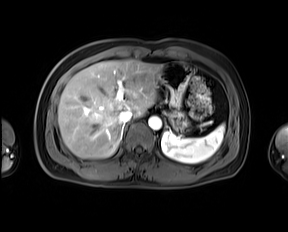
Magnetic resonance imaging, abdomen; axial plane, index 45; 1st–99th percentile window; 288x232 px; acquired on Prisma
Box edges are left/top/right/bottom in pixels.
aorta: left=148, top=116, right=161, bottom=130
liver: left=58, top=59, right=162, bottom=158
inferior vena cava: left=119, top=110, right=132, bottom=122
spleen: left=160, top=124, right=224, bottom=163
stomach: left=159, top=62, right=191, bottom=131